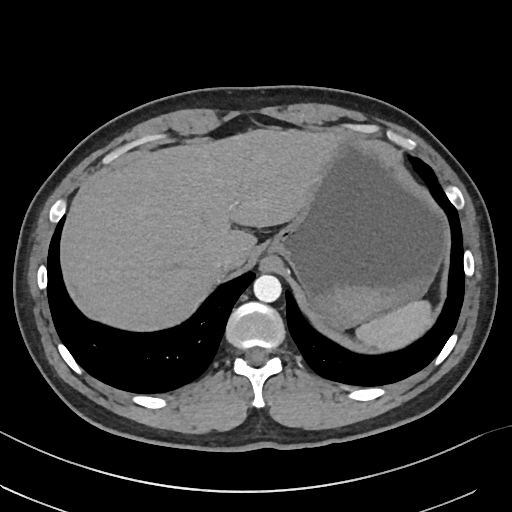 CT abdomen · Axial slice 185/307 · soft-tissue window (W 400 / L 40)
Organ boxes in pixel coordinates; each row gives the top-left (x1, y1) and bottom-right (x2, y2) corners.
| organ | x1 | y1 | x2 | y2 |
|---|---|---|---|---|
| spleen | 355 | 300 | 431 | 348 |
| liver | 67 | 129 | 332 | 332 |
| stomach | 272 | 132 | 447 | 329 |
| aorta | 253 | 275 | 281 | 302 |
| inferior vena cava | 212 | 251 | 239 | 273 |